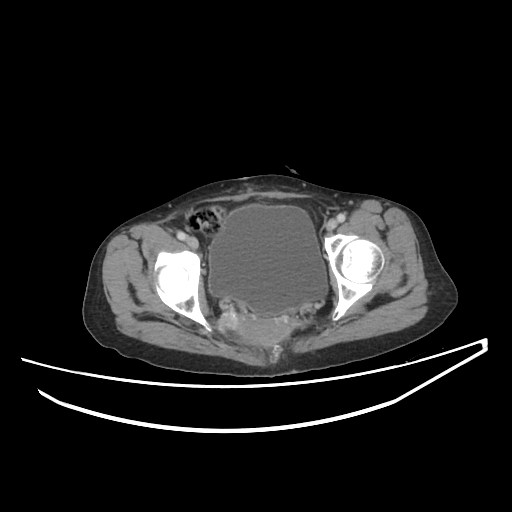 Abdominal CT; axial view; 512x512 px
Bounding boxes as [x1, y1, x2, y2] in pixel coordinates. The annotated organs in this slice are: bladder at [208, 205, 327, 315], prostate/uterus at [237, 317, 289, 345].